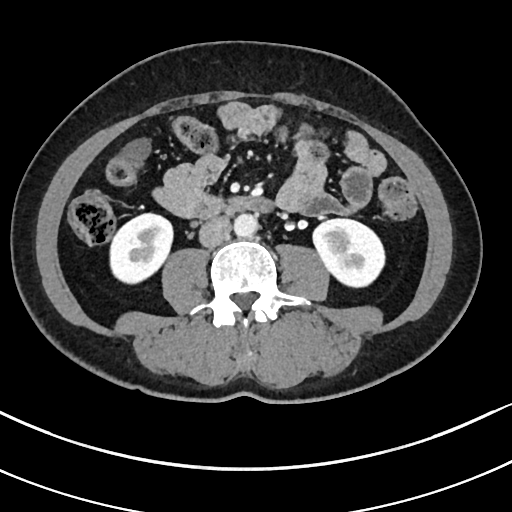
CT abdomen — axial view — soft-tissue window (W 400 / L 40) — 512x512 px — SOMATOM Force scanner
Coordinates as <box>x1,y1,x2,y2</box> in pixels.
Organ bounding boxes:
- left kidney: <box>313,219,384,286</box>
- inferior vena cava: <box>198,216,231,247</box>
- aorta: <box>233,213,257,237</box>
- right kidney: <box>110,213,172,283</box>
- duodenum: <box>194,197,273,217</box>